Abdominal CT · axial plane, index 68 · W/L 400/40 HU · 512x512 px · 66-year-old male patient
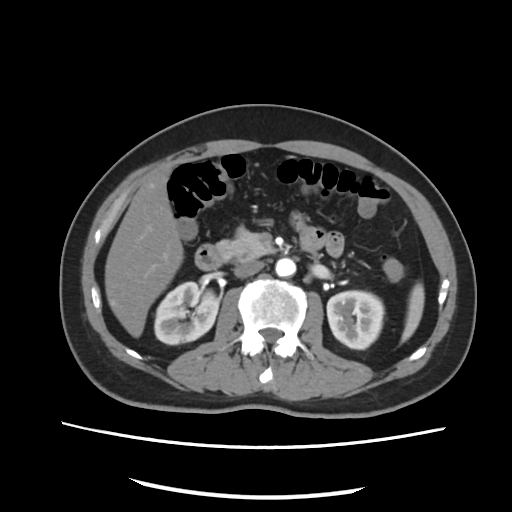

Boxes: x1 y1 x2 y2 (pixel coords, space-separated).
Organ bounding boxes:
- spleen: 402 282 424 341
- right kidney: 155 282 217 345
- left kidney: 328 290 384 348
- liver: 105 165 183 337
- aorta: 276 257 296 276
- inferior vena cava: 233 261 263 276
- pancreas: 216 225 275 261
- duodenum: 195 243 223 271